Abdominal CT · Axial slice 158/191 · abdomen soft-tissue window · 512x512 px · acquired on SOMATOM Force · scan has 15 labeled organs (counted over the whole 3D scan, not this slice; an organ is boxed only where this slice passes through it)
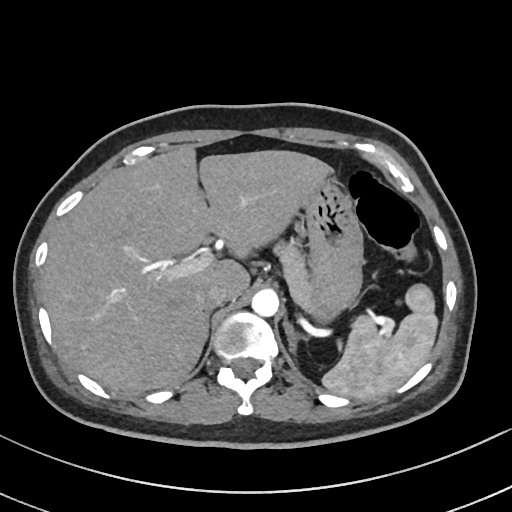
<organs><organ name="pancreas" x1="274" y1="241" x2="311" y2="307"/><organ name="left adrenal gland" x1="283" y1="318" x2="301" y2="354"/><organ name="liver" x1="42" y1="146" x2="331" y2="396"/><organ name="stomach" x1="302" y1="177" x2="362" y2="319"/><organ name="right adrenal gland" x1="207" y1="313" x2="209" y2="326"/><organ name="inferior vena cava" x1="196" y1="283" x2="227" y2="310"/><organ name="aorta" x1="251" y1="289" x2="279" y2="316"/><organ name="spleen" x1="322" y1="283" x2="438" y2="399"/></organs>